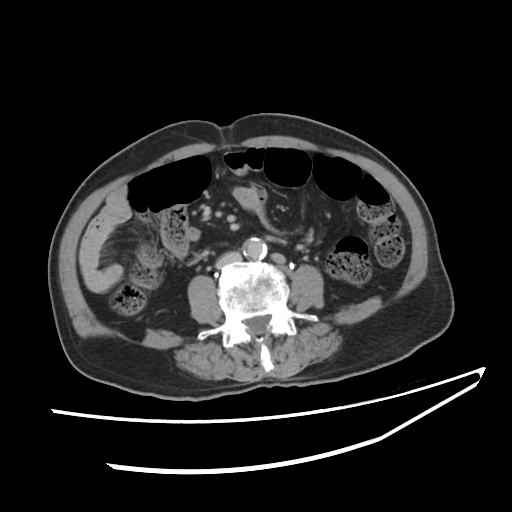
CT, abdomen/pelvis — axial view — 83-year-old male patient — 15 organs annotated in this scan (a whole-scan count: organs this slice does not pass through have no box)
Coordinates as <box>x1,y1,x2,y2</box> in pixels.
Organ bounding boxes:
- aorta: <box>243,238,267,258</box>
- inferior vena cava: <box>215,252,242,268</box>